CT abdomen; axial view; soft-tissue window
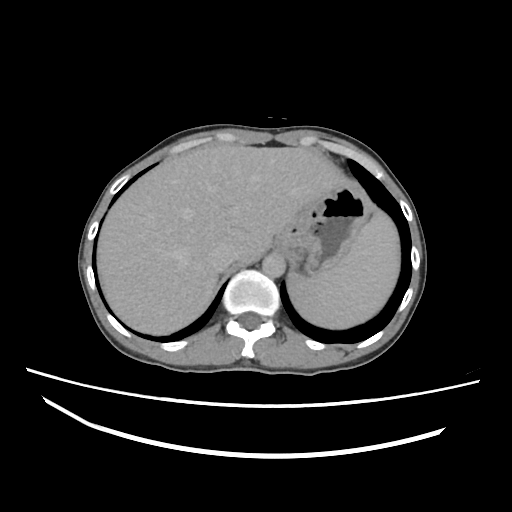
Bounding boxes in pixels, one row per box: x1, y1 is the top-left corner and x2, y2 the bottom-right.
| organ | x1 | y1 | x2 | y2 |
|---|---|---|---|---|
| spleen | 287 | 209 | 399 | 329 |
| liver | 97 | 144 | 349 | 335 |
| stomach | 273 | 181 | 374 | 275 |
| aorta | 262 | 252 | 284 | 277 |
| inferior vena cava | 209 | 246 | 233 | 268 |